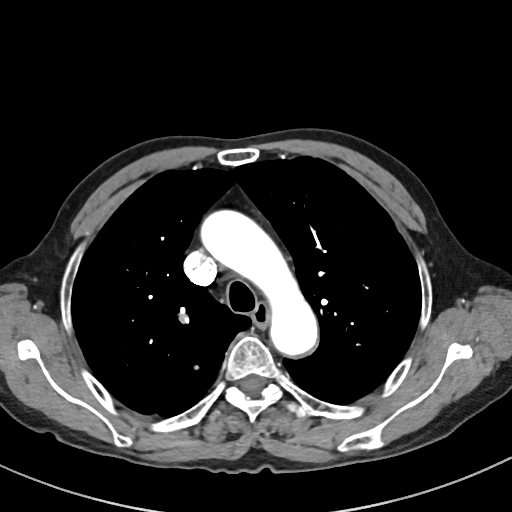
CT of the abdomen extending into the chest, slice through the chest. axial plane, index 266
On a slice this high in the chest, this dataset labels only the esophagus and the aorta, and each is boxed only where it is labeled; the heart, lungs and other chest structures are not labeled.
<organs><organ name="esophagus" x1="251" y1="304" x2="269" y2="326"/><organ name="aorta" x1="200" y1="210" x2="320" y2="357"/></organs>